Abdominal CT. axial view. soft-tissue window (W 400 / L 40). SOMATOM Force scanner
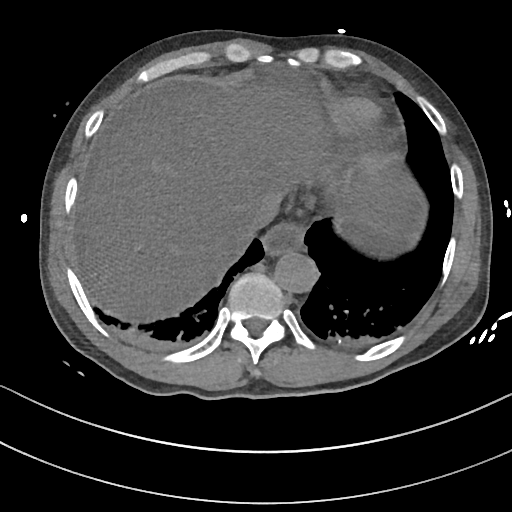
Boxes: x1:y1:x2:y2 in pixels.
esophagus: 262:224:305:257
liver: 86:86:421:321
stomach: 345:225:399:250
aorta: 273:249:318:292
inferior vena cava: 233:203:278:240